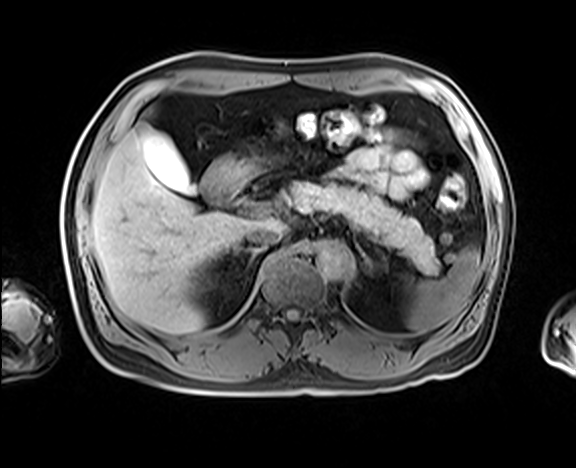

Abdominal MR · axial view
{"organs":{"spleen":[405,247,481,333],"gall bladder":[135,121,196,194],"liver":[91,130,283,333],"stomach":[200,148,281,196],"aorta":[317,241,354,279],"inferior vena cava":[244,228,282,247],"pancreas":[288,181,439,273],"right adrenal gland":[236,247,262,272],"left adrenal gland":[355,244,370,265],"duodenum":[205,185,252,206]}}